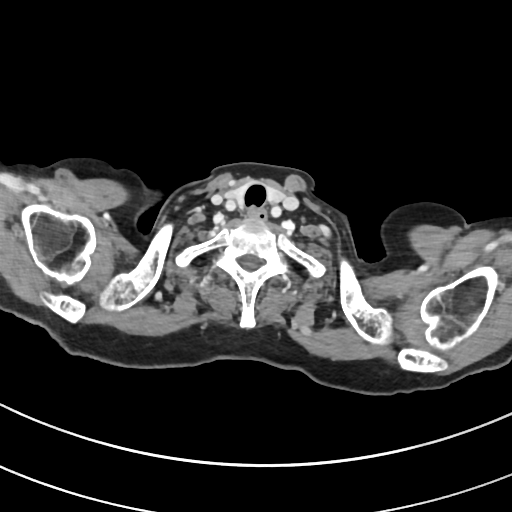
Chest-level slice from an abdominal CT that extends up into the chest. axial view
At this level of the chest this dataset labels only the esophagus and the aorta, and each is boxed only where it is labeled; the heart and lungs are never labeled.
<organs><organ name="esophagus" x1="248" y1="208" x2="265" y2="220"/></organs>